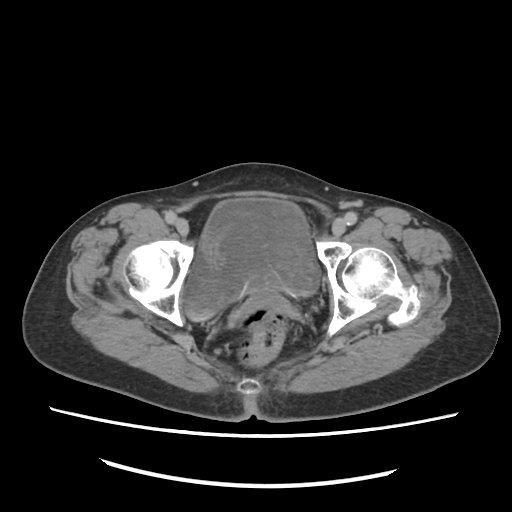
Computed tomography, abdomen; axial view; 512x512 px
Bounding boxes in pixels, one row per box: x1, y1 is the top-left corner and x2, y2 the bottom-right.
| organ | x1 | y1 | x2 | y2 |
|---|---|---|---|---|
| bladder | 184 | 201 | 319 | 321 |